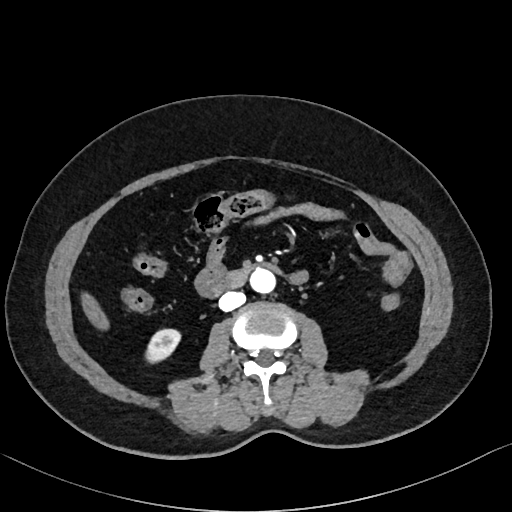
Abdominal CT. axial view. soft-tissue window (W 400 / L 40)
Organ boxes in pixel coordinates; each row gives the top-left (x1, y1) and bottom-right (x2, y2) corners.
| organ | x1 | y1 | x2 | y2 |
|---|---|---|---|---|
| right kidney | 145 | 329 | 180 | 363 |
| liver | 81 | 292 | 109 | 330 |
| aorta | 250 | 269 | 275 | 293 |
| inferior vena cava | 218 | 291 | 245 | 311 |
| duodenum | 208 | 264 | 280 | 296 |